Abdominal CT; this slice is in the lower chest, just above the liver — Axial slice 102/104 — soft-tissue window (W 400 / L 40) — 58-year-old male patient
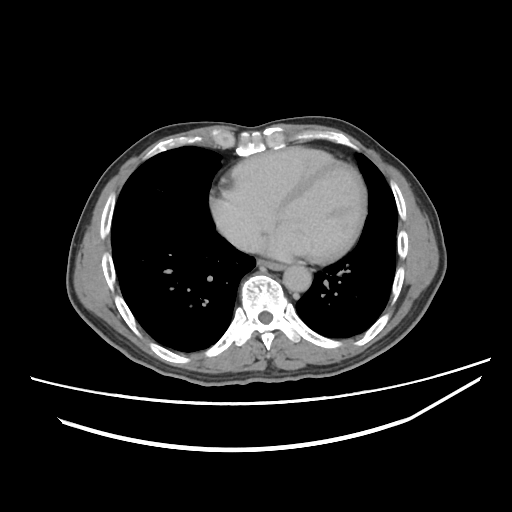
No part of the heart or lungs is labeled in this dataset, so neither has a box here.
{"organs":{"aorta":[283,266,311,292],"esophagus":[257,259,285,270],"inferior vena cava":[227,229,263,251]}}